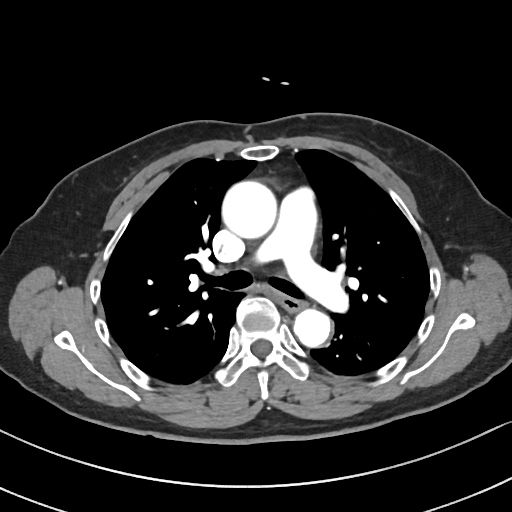 CT of the abdomen extending into the chest, slice through the chest · axial view
At this level of the chest no structure but the esophagus and the aorta has a label in this dataset, and those two are boxed only where they are labeled.
Each box given as x1,y1,x2,y2.
Organ bounding boxes:
- esophagus: x1=280, y1=296, x2=304, y2=311
- aorta: x1=222, y1=181, x2=276, y2=238
- aorta: x1=294, y1=308, x2=334, y2=349